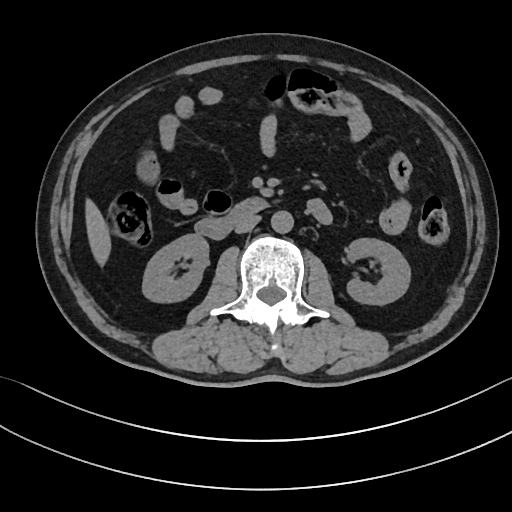
CT, abdomen/pelvis — axial view — soft-tissue window (W 400 / L 40)
<organs><organ name="aorta" x1="271" y1="211" x2="293" y2="233"/><organ name="inferior vena cava" x1="234" y1="215" x2="260" y2="233"/><organ name="left kidney" x1="346" y1="238" x2="411" y2="305"/><organ name="liver" x1="86" y1="197" x2="112" y2="264"/><organ name="duodenum" x1="195" y1="196" x2="270" y2="238"/><organ name="right kidney" x1="141" y1="234" x2="208" y2="303"/></organs>